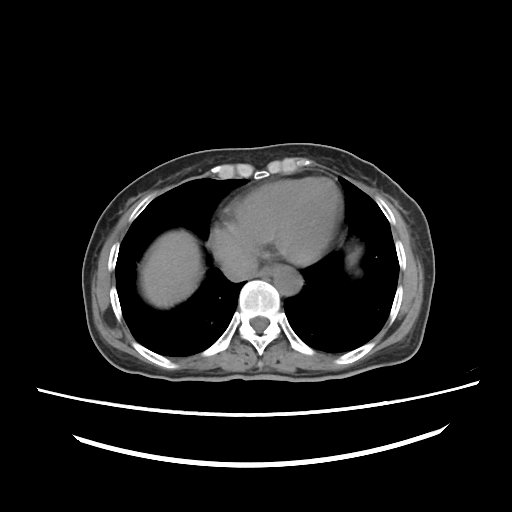

Abdominal CT · Axial slice 80/82 · 58-year-old female patient · Aquilion ONE scanner
Organ boxes in pixel coordinates; each row gives the top-left (x1, y1) and bottom-right (x2, y2) corners.
| organ | x1 | y1 | x2 | y2 |
|---|---|---|---|---|
| esophagus | 258 | 266 | 273 | 277 |
| liver | 140 | 230 | 203 | 307 |
| stomach | 350 | 253 | 356 | 261 |
| aorta | 272 | 266 | 301 | 295 |
| inferior vena cava | 221 | 252 | 257 | 281 |